CT abdomen. axial plane, index 77. abdomen soft-tissue window. 45-year-old male patient
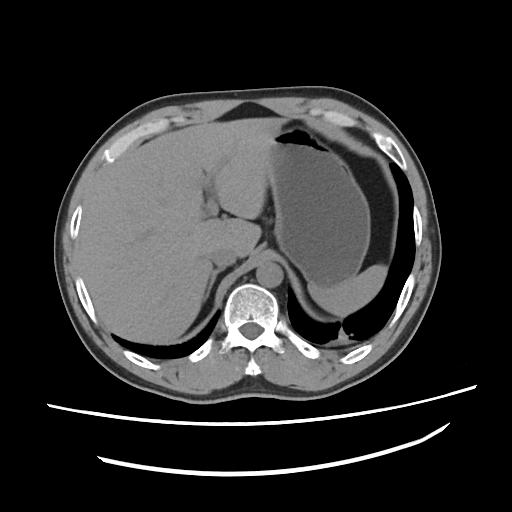
Organ boxes in pixel coordinates; each row gives the top-left (x1, y1) and bottom-right (x2, y2) corners.
| organ | x1 | y1 | x2 | y2 |
|---|---|---|---|---|
| spleen | 310 | 263 | 386 | 318 |
| liver | 78 | 117 | 286 | 343 |
| stomach | 267 | 125 | 371 | 289 |
| aorta | 257 | 261 | 282 | 287 |
| inferior vena cava | 211 | 248 | 236 | 268 |
| right adrenal gland | 207 | 269 | 223 | 297 |